Computed tomography, abdomen — axial view — Aquilion ONE scanner
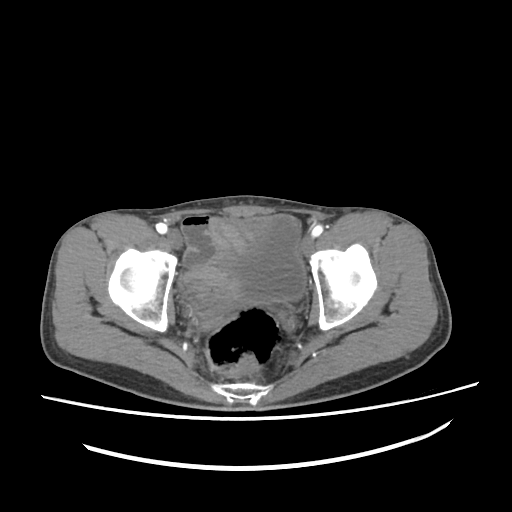 Organ boxes in pixel coordinates; each row gives the top-left (x1, y1) and bottom-right (x2, y2) corners.
| organ | x1 | y1 | x2 | y2 |
|---|---|---|---|---|
| bladder | 229 | 215 | 305 | 300 |